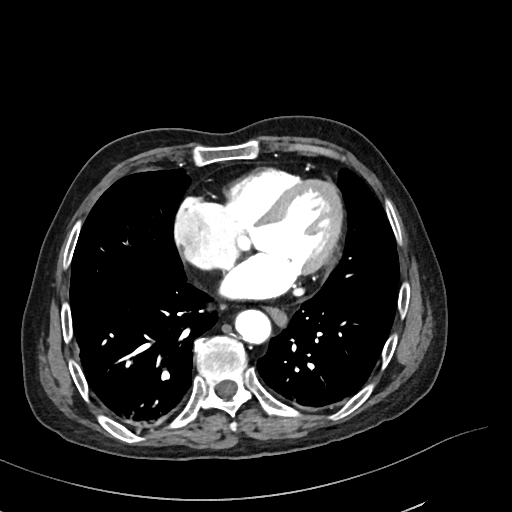

Abdominal CT; this slice is in the lower chest, just above the liver; axial view; W/L 400/40 HU; scan has 15 labeled organs (counted over the whole 3D scan, not this slice; an organ is boxed only where this slice passes through it)
The heart and lungs are never labeled in this dataset, so they have no box on this slice.
Bounding boxes in pixels, one row per box: x1, y1 is the top-left corner and x2, y2 the bottom-right.
| organ | x1 | y1 | x2 | y2 |
|---|---|---|---|---|
| esophagus | 267 | 308 | 287 | 324 |
| aorta | 234 | 309 | 271 | 344 |